Computed tomography, abdomen · Axial slice 86/132 · 67-year-old male patient
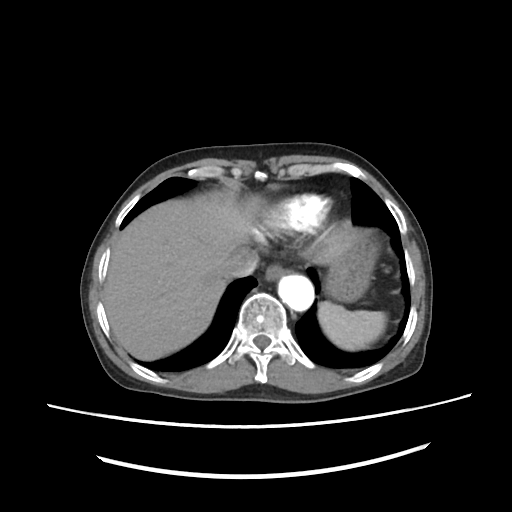
<organs><organ name="spleen" x1="316" y1="301" x2="386" y2="348"/><organ name="esophagus" x1="264" y1="265" x2="284" y2="283"/><organ name="liver" x1="105" y1="194" x2="371" y2="360"/><organ name="stomach" x1="324" y1="236" x2="377" y2="302"/><organ name="aorta" x1="278" y1="277" x2="313" y2="310"/><organ name="inferior vena cava" x1="224" y1="252" x2="257" y2="277"/></organs>